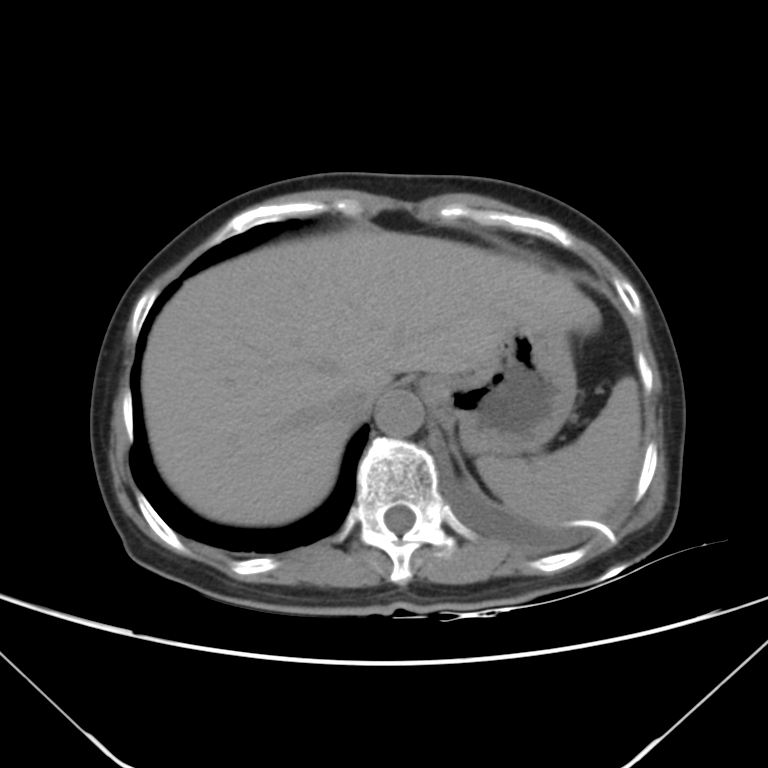

Abdominal CT — axial view — abdomen soft-tissue window — 63-year-old female patient
<organs><organ name="spleen" x1="477" y1="377" x2="640" y2="524"/><organ name="liver" x1="141" y1="229" x2="599" y2="524"/><organ name="stomach" x1="421" y1="323" x2="577" y2="456"/><organ name="aorta" x1="375" y1="391" x2="423" y2="437"/><organ name="inferior vena cava" x1="332" y1="377" x2="378" y2="423"/></organs>